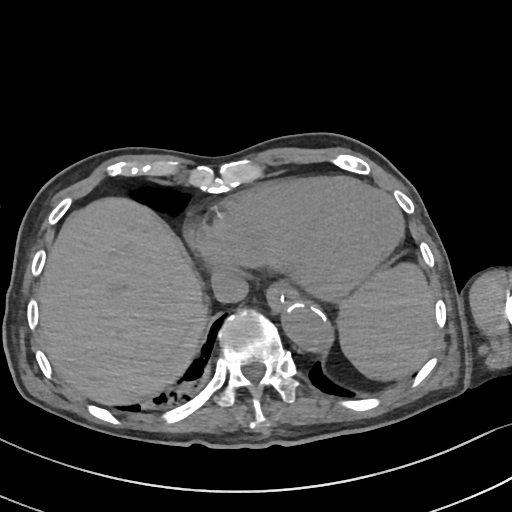
CT, abdomen/pelvis. axial view. 512x512 px
Coordinates as <box>x1,y1,x2,y2</box> in pixels.
Organ bounding boxes:
- spleen: <box>339,265,435,378</box>
- esophagus: <box>266,285,299,313</box>
- liver: <box>39,199,204,403</box>
- aorta: <box>282,302,333,353</box>
- inferior vena cava: <box>210,268,249,303</box>